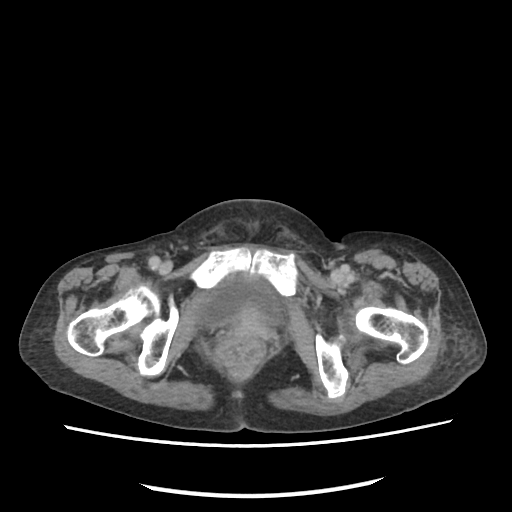

Abdominal CT. axial view. soft-tissue window (W 400 / L 40). 512x512 px. 52-year-old female patient
Bounding boxes as [x1, y1, x2, y2] in pixel coordinates. The annotated organs in this slice are: bladder at [198, 276, 280, 326].